CT, abdomen/pelvis. axial view. abdomen soft-tissue window
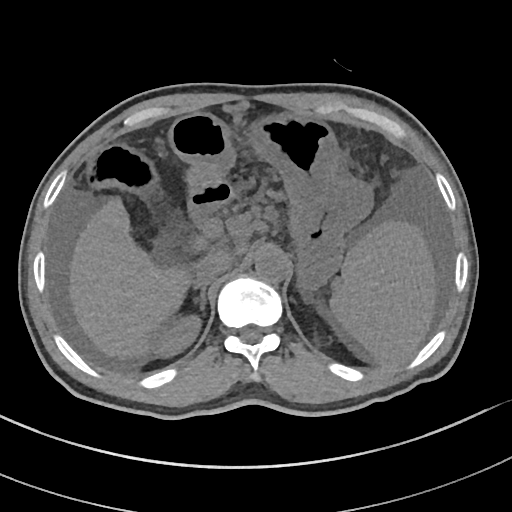 Bounding boxes in pixels, one row per box: x1, y1 is the top-left corner and x2, y2 the bottom-right.
| organ | x1 | y1 | x2 | y2 |
|---|---|---|---|---|
| spleen | 329 | 220 | 434 | 364 |
| right kidney | 157 | 318 | 198 | 354 |
| liver | 70 | 198 | 192 | 360 |
| stomach | 169 | 113 | 373 | 293 |
| aorta | 255 | 248 | 290 | 283 |
| inferior vena cava | 195 | 250 | 233 | 284 |
| right adrenal gland | 192 | 285 | 206 | 314 |
| duodenum | 190 | 186 | 229 | 214 |